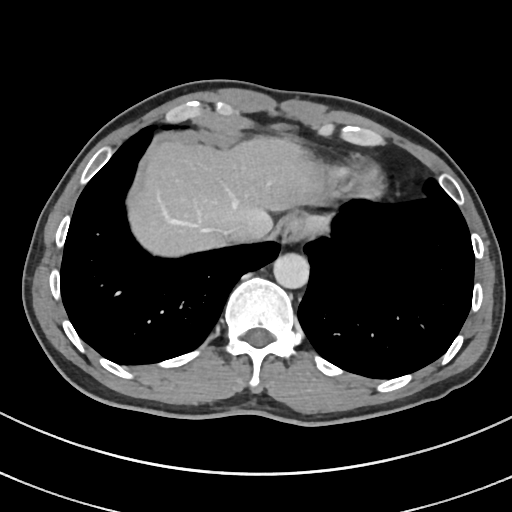 Computed tomography, abdomen. axial view. 512x512 px. scan has 15 labeled organs (a whole-scan count: organs this slice does not pass through have no box)
Boxes are (x1, y1, x2, y2) in pixels.
Organ bounding boxes:
- aorta: (273, 253, 309, 288)
- stomach: (303, 217, 326, 233)
- esophagus: (280, 215, 307, 245)
- liver: (127, 135, 321, 256)
- inferior vena cava: (220, 227, 241, 233)